Abdominal CT — axial view — SOMATOM Force scanner
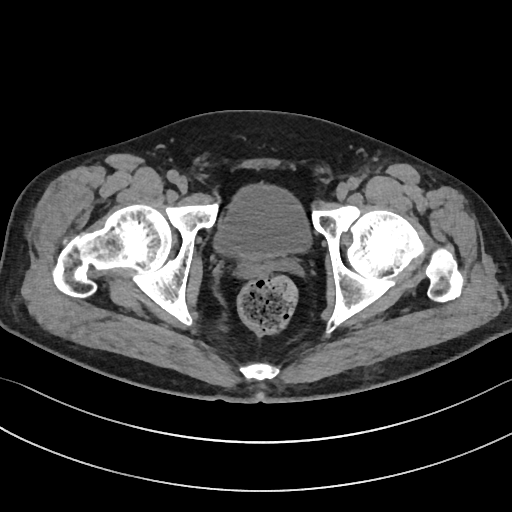 Bounding boxes in pixels, one row per box: x1, y1 is the top-left corner and x2, y2 the bottom-right.
| organ | x1 | y1 | x2 | y2 |
|---|---|---|---|---|
| bladder | 214 | 184 | 311 | 257 |
| prostate/uterus | 245 | 255 | 274 | 263 |